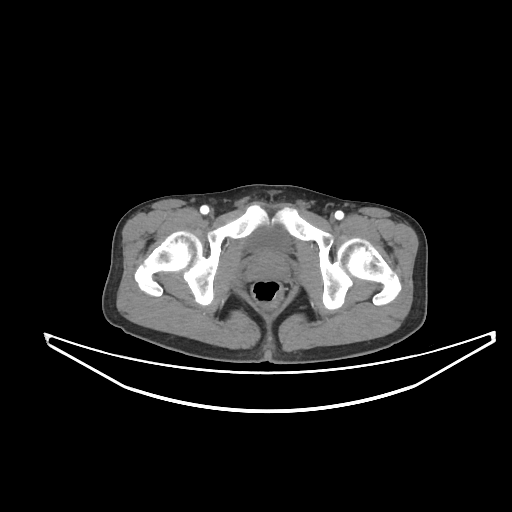 Computed tomography, abdomen; axial view; soft-tissue window (W 400 / L 40); 512x512 px; scan has 15 labeled organs (that count is for the whole scan; organs this slice misses have no box)
Bounding boxes as [x1, y1, x2, y2] in pixel coordinates.
bladder: [248, 226, 288, 251]
prostate/uterus: [249, 252, 288, 279]